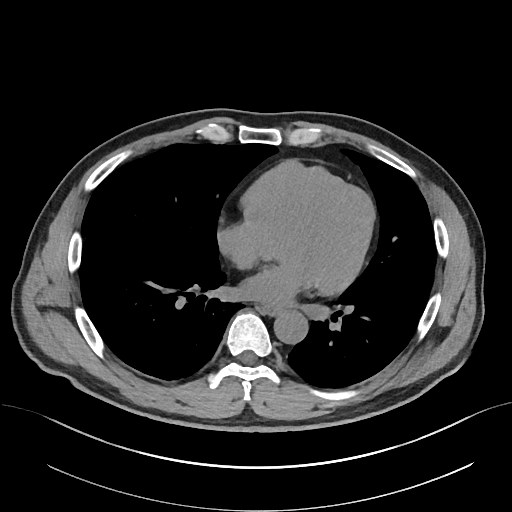
CT of the abdomen reaching into the lower chest, slice just above the liver and spleen; axial plane, index 258; soft-tissue window; 512x512 px; SOMATOM Force scanner
No part of the heart or lungs is labeled in this dataset, so neither has a box here. Coordinates as <box>x1,y1,x2,y2</box> in pixels. Labeled organs on this slice: esophagus at <box>261,306,278,314</box>, aorta at <box>273,310,308,344</box>.